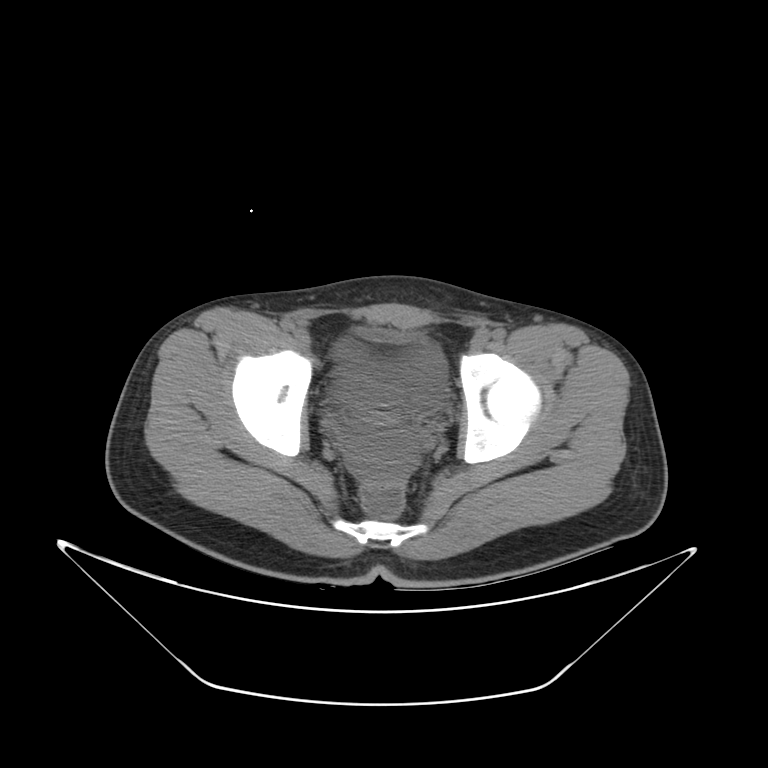

CT abdomen — axial view — 768x768 px
{"organs":{"bladder":[330,341,448,405]}}